CT, abdomen/pelvis — Axial slice 36/208
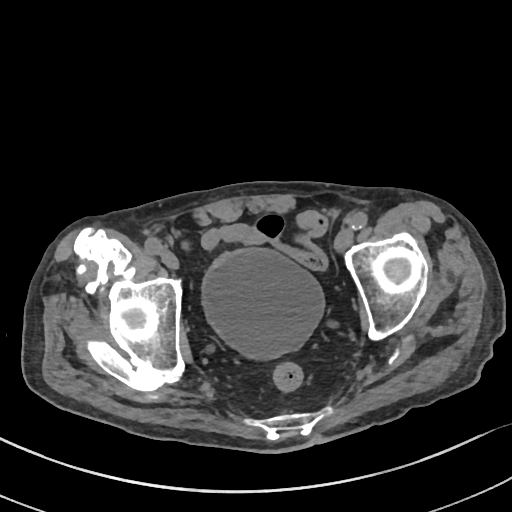
Box edges are left/top/right/bottom in pixels.
Organ bounding boxes:
- bladder: left=202, top=248, right=324, bottom=359